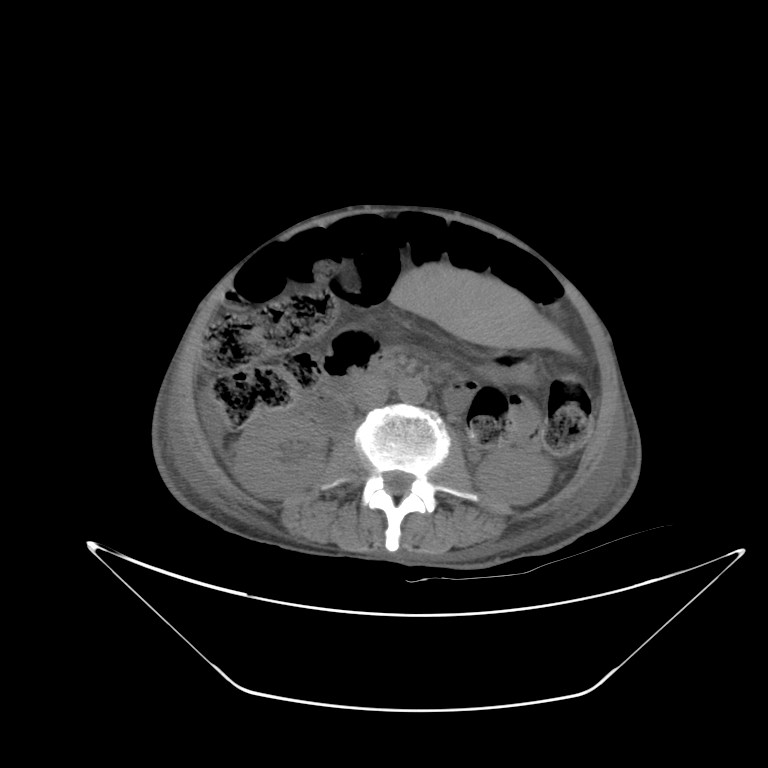 CT abdomen; axial plane, index 56
Coordinates as <box>x1,y1,x2,y2</box> in pixels.
Organ bounding boxes:
- right kidney: <box>233,408,327,498</box>
- left kidney: <box>477,449,550,502</box>
- liver: <box>388,262,577,354</box>
- stomach: <box>479,355,531,380</box>
- aorta: <box>397,378,427,404</box>
- inferior vena cava: <box>354,376,389,409</box>
- duodenum: <box>304,351,399,433</box>